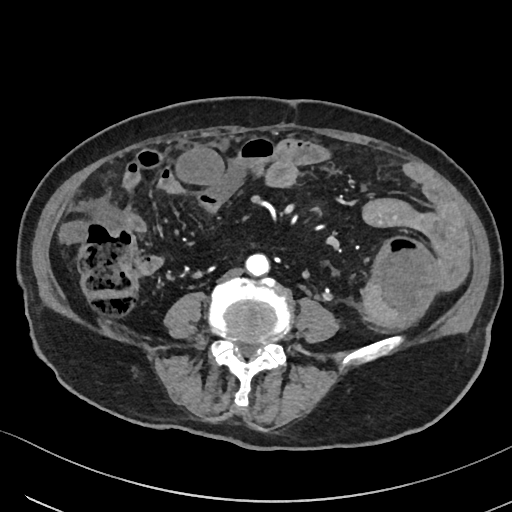 Computed tomography, abdomen; Axial slice 110/297; 512x512 px
{"organs":{"aorta":[244,254,269,276],"inferior vena cava":[223,268,241,279]}}